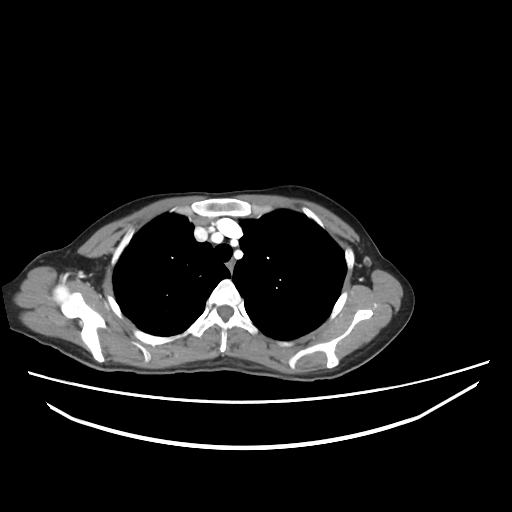
Chest-level CT slice, above the liver and spleen; axial plane, index 103; 512x512 px
At this level of the chest no structure but the esophagus and the aorta has a label in this dataset, and those two are boxed only where they are labeled. Boxes are (x1, y1, x2, y2) in pixels. 1 labeled organ on this slice — esophagus at (227, 259, 233, 270).